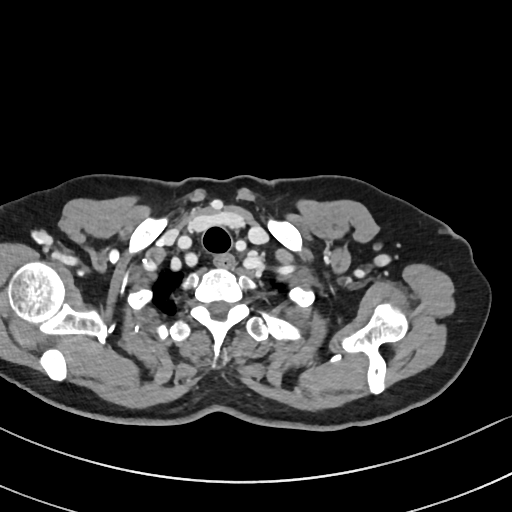
Chest-level CT slice, above the liver and spleen · axial view · soft-tissue window
At this level of the chest no structure but the esophagus and the aorta has a label in this dataset, and those two are boxed only where they are labeled. Coordinates as <box>x1,y1,x2,y2</box> in pixels. Labeled organs on this slice: esophagus at <box>213,253,235,266</box>.